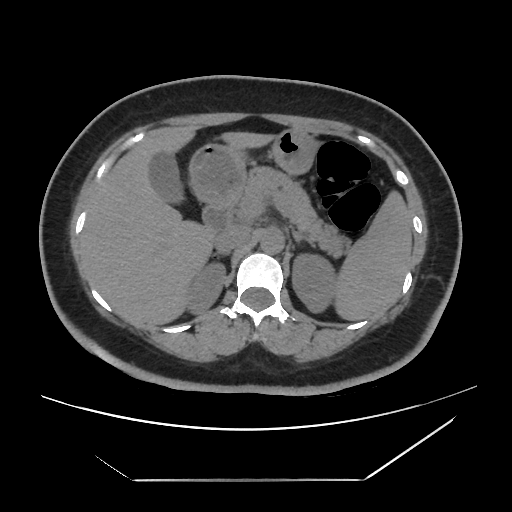

CT, abdomen/pelvis · axial view
One row per box, in pixels: columns x1 and y1 give the top-left corner, x2 and y2 the bottom-right.
| organ | x1 | y1 | x2 | y2 |
|---|---|---|---|---|
| right kidney | 185 | 262 | 225 | 314 |
| stomach | 189 | 129 | 316 | 203 |
| right adrenal gland | 216 | 252 | 224 | 257 |
| left adrenal gland | 292 | 230 | 315 | 247 |
| pancreas | 233 | 168 | 350 | 257 |
| liver | 81 | 126 | 273 | 325 |
| gall bladder | 149 | 151 | 182 | 202 |
| inferior vena cava | 215 | 228 | 250 | 252 |
| duodenum | 202 | 202 | 232 | 236 |
| spleen | 335 | 191 | 411 | 320 |
| left kidney | 292 | 253 | 337 | 313 |
| aorta | 260 | 229 | 284 | 253 |